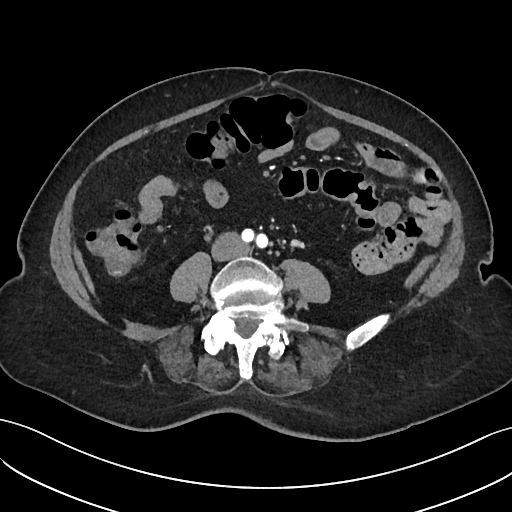 CT abdomen; axial plane, index 86
Boxes: x1:y1:x2:y2 in pixels.
inferior vena cava: 212:232:246:259